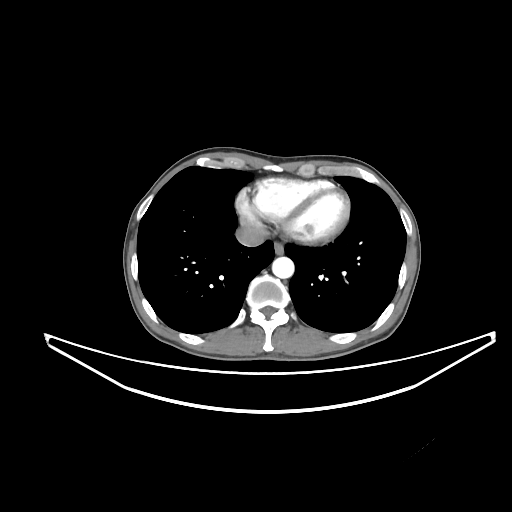 CT of the abdomen reaching into the lower chest, slice just above the liver and spleen. Axial slice 87/134. soft-tissue window, W/L 400/40. 512x512 px
No part of the heart or lungs is labeled in this dataset, so neither has a box here.
Coordinates as <box>x1,y1,x2,y2</box> in pixels.
Organ bounding boxes:
- esophagus: <box>273,242,284,254</box>
- aorta: <box>272,257,294,278</box>
- inferior vena cava: <box>235,226,265,246</box>